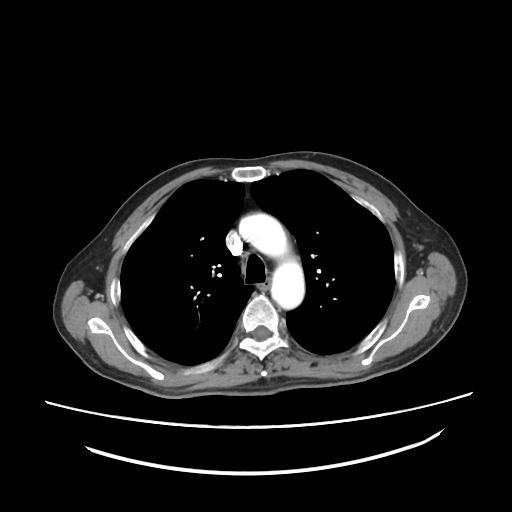

Chest-level slice from an abdominal CT that extends up into the chest · Axial slice 115/135 · W/L 400/40 HU · 512x512 px · 68-year-old male patient
At this level of the chest no structure but the esophagus and the aorta has a label in this dataset, and those two are boxed only where they are labeled.
Organ boxes in pixel coordinates; each row gives the top-left (x1, y1) and bottom-right (x2, y2) corners.
| organ | x1 | y1 | x2 | y2 |
|---|---|---|---|---|
| esophagus | 257 | 283 | 269 | 289 |
| aorta | 239 | 213 | 304 | 309 |